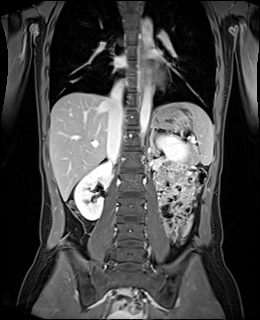

Magnetic resonance imaging, abdomen; coronal acquisition; 260x320 px
Coordinates as <box>x1,y1,x2,y2</box> in pixels.
spleen: <box>165,102,213,164</box>
right kidney: <box>74,160,111,220</box>
left kidney: <box>157,135,188,166</box>
esophagus: <box>138,38,144,92</box>
liver: <box>49,92,165,201</box>
stomach: <box>151,109,190,131</box>
aorta: <box>140,84,151,137</box>
aorta: <box>142,18,152,44</box>
inferior vena cava: <box>107,82,123,162</box>
left adrenal gland: <box>150,126,155,146</box>